Abdominal CT · Axial slice 68/191 · W/L 400/40 HU
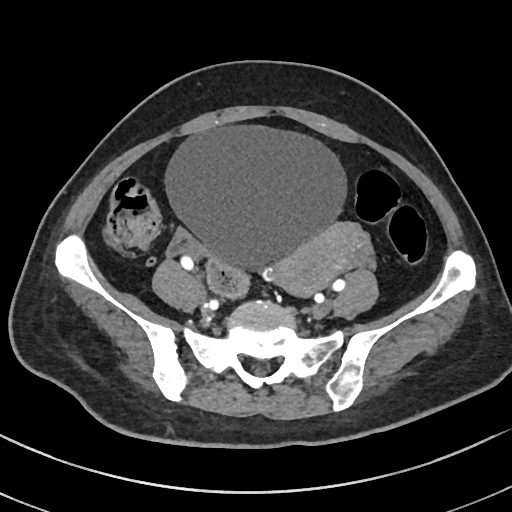 <organs><organ name="bladder" x1="165" y1="125" x2="348" y2="270"/><organ name="prostate/uterus" x1="270" y1="222" x2="363" y2="298"/></organs>